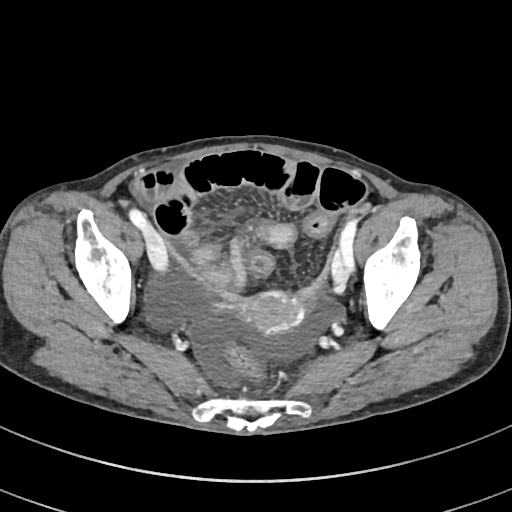

CT, abdomen/pelvis — axial view
<organs><organ name="prostate/uterus" x1="240" y1="292" x2="303" y2="336"/></organs>